CT of the abdomen extending into the chest, slice through the chest · axial view · soft-tissue window, W/L 400/40
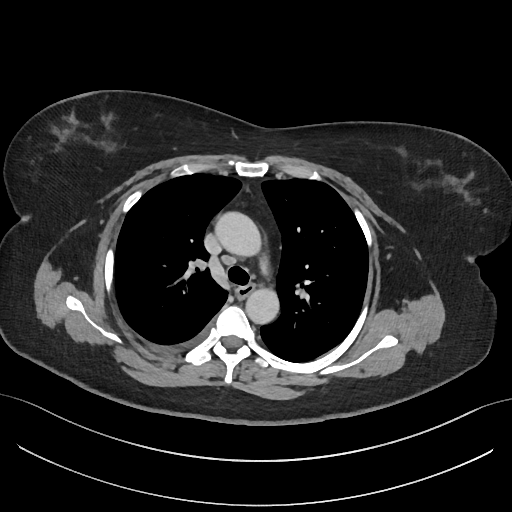
At this level of the chest this dataset labels only the esophagus and the aorta, and each is boxed only where it is labeled; the heart and lungs are never labeled.
{"organs":{"esophagus":[237,284,254,297],"aorta":[[215,211,261,256],[245,288,279,324]]}}